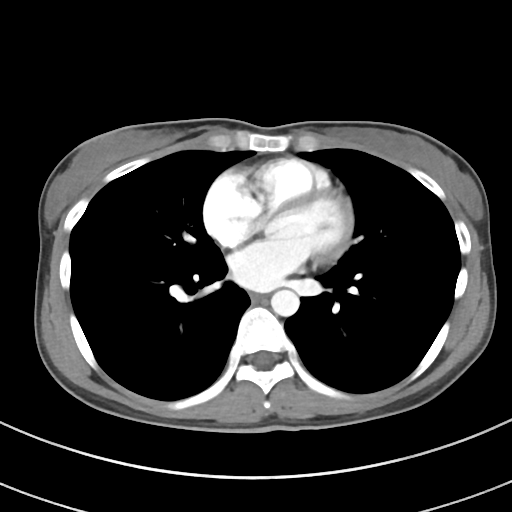

Chest-level CT slice, above the liver and spleen · Axial slice 88/121 · soft-tissue window, W/L 400/40 · acquired on SOMATOM Force · 15 organs annotated in this scan (a whole-scan count: organs this slice does not pass through have no box)
At this level of the chest this dataset labels only the esophagus and the aorta, and each is boxed only where it is labeled; the heart and lungs are never labeled.
Coordinates as <box>x1,y1,x2,y2</box> in pixels.
Organ bounding boxes:
- aorta: <box>271,289,299,316</box>
- esophagus: <box>251,293,264,301</box>